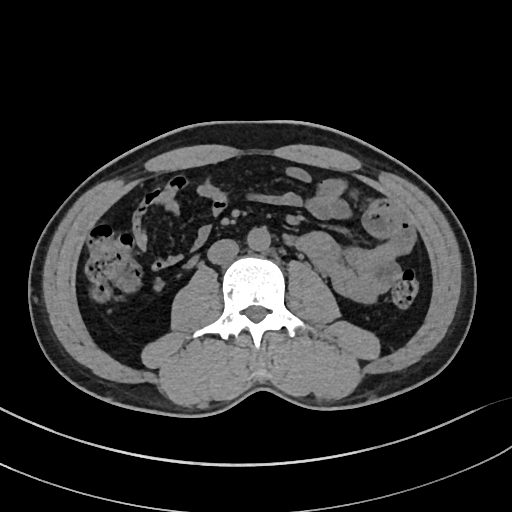 CT abdomen; axial plane, index 124; W/L 400/40 HU; 512x512 px; acquired on SOMATOM Force
Boxes: x1 y1 x2 y2 (pixel coords, space-separated).
aorta: 247 226 270 251
inferior vena cava: 208 239 238 264